Abdominal CT; axial plane, index 55
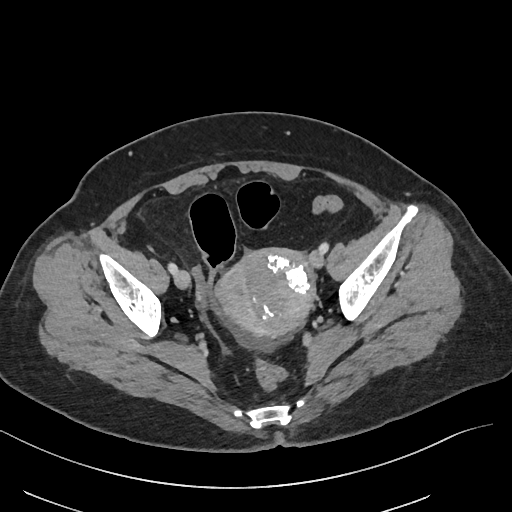
Bounding boxes in pixels, one row per box: x1, y1 is the top-left corner and x2, y2 the bottom-right.
| organ | x1 | y1 | x2 | y2 |
|---|---|---|---|---|
| prostate/uterus | 218 | 248 | 313 | 336 |